CT, abdomen/pelvis — axial view — soft-tissue window — 512x512 px — SOMATOM Force scanner
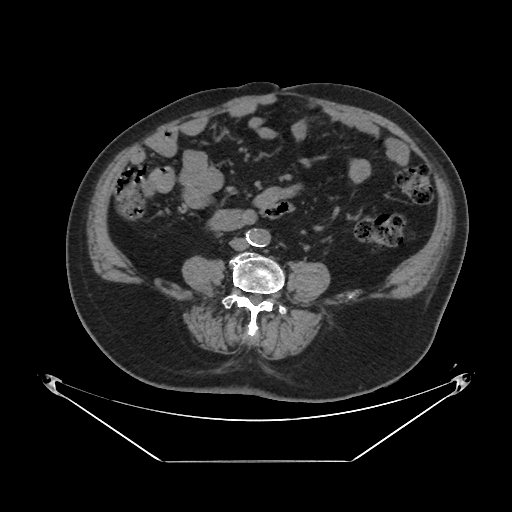 Bounding boxes in pixels, one row per box: x1, y1 is the top-left corner and x2, y2 the bottom-right.
| organ | x1 | y1 | x2 | y2 |
|---|---|---|---|---|
| aorta | 247 | 229 | 270 | 247 |
| inferior vena cava | 229 | 238 | 248 | 250 |